Abdominal CT · axial plane, index 174 · soft-tissue window · SOMATOM Force scanner · 15 organs annotated in this scan (that count is for the whole scan; organs this slice misses have no box)
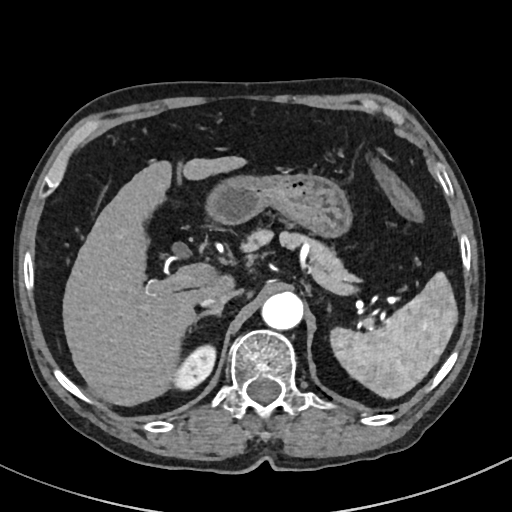 Boxes: x1:y1:x2:y2 in pixels.
Organ bounding boxes:
- right adrenal gland: 196:307:222:320
- pancreas: 242:231:359:280
- inferior vena cava: 199:287:241:308
- right kidney: 171:344:216:390
- aorta: 261:291:303:330
- spleen: 330:272:458:398
- liver: 62:156:245:406
- stomach: 204:173:352:237